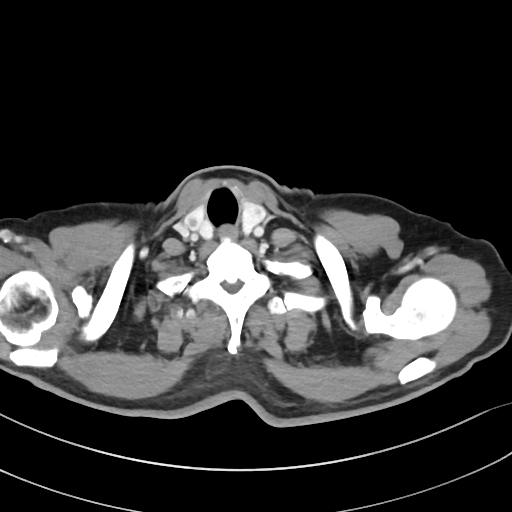
Abdominal CT reaching into the chest; this slice is in the chest — Axial slice 124/128 — acquired on SOMATOM Force
At this level of the chest this dataset labels only the esophagus and the aorta, and each is boxed only where it is labeled; the heart and lungs are never labeled.
Bounding boxes as [x1, y1, x2, y2] in pixel coordinates.
Organ bounding boxes:
- esophagus: [219, 226, 235, 238]